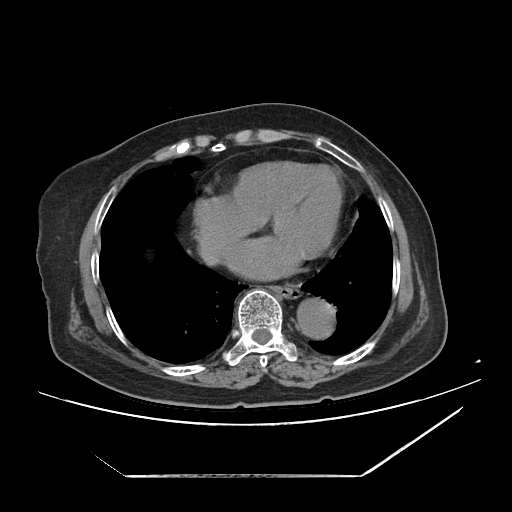 Lower-chest slice from an abdominal CT, just above the liver and spleen; Axial slice 154/163; W/L 400/40 HU; 512x512 px; acquired on SOMATOM Force
Of the structures in the chest, this dataset labels only the esophagus, the aorta and the inferior vena cava; the heart and lungs have no label.
One row per box, in pixels: columns x1 and y1 give the top-left corner, x2 and y2 the bottom-right.
| organ | x1 | y1 | x2 | y2 |
|---|---|---|---|---|
| esophagus | 274 | 285 | 300 | 298 |
| aorta | 295 | 297 | 334 | 337 |
| inferior vena cava | 200 | 243 | 216 | 260 |